CT abdomen; axial view; soft-tissue window (W 400 / L 40); 78-year-old female patient
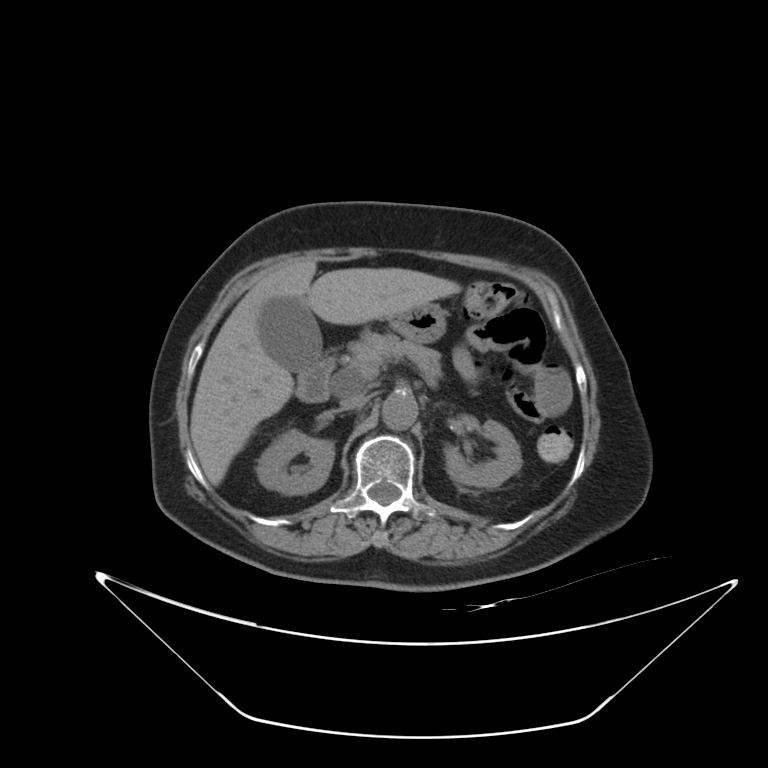
<organs><organ name="liver" x1="190" y1="258" x2="460" y2="485"/><organ name="aorta" x1="382" y1="392" x2="417" y2="430"/><organ name="gall bladder" x1="259" y1="297" x2="322" y2="371"/><organ name="duodenum" x1="296" y1="350" x2="335" y2="402"/><organ name="inferior vena cava" x1="338" y1="396" x2="366" y2="411"/><organ name="stomach" x1="389" y1="303" x2="446" y2="342"/><organ name="left adrenal gland" x1="436" y1="402" x2="441" y2="406"/><organ name="pancreas" x1="341" y1="330" x2="442" y2="387"/><organ name="right kidney" x1="256" y1="429" x2="334" y2="495"/><organ name="left kidney" x1="444" y1="420" x2="521" y2="488"/></organs>